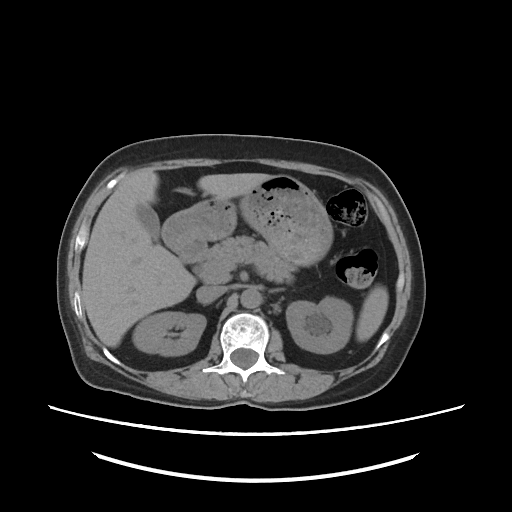

Computed tomography, abdomen; Axial slice 66/85; Aquilion ONE scanner
<organs><organ name="spleen" x1="357" y1="285" x2="388" y2="341"/><organ name="right kidney" x1="133" y1="311" x2="205" y2="355"/><organ name="left kidney" x1="286" y1="297" x2="351" y2="353"/><organ name="gall bladder" x1="134" y1="199" x2="160" y2="243"/><organ name="liver" x1="81" y1="170" x2="276" y2="346"/><organ name="stomach" x1="163" y1="174" x2="333" y2="268"/><organ name="aorta" x1="240" y1="286" x2="260" y2="309"/><organ name="inferior vena cava" x1="195" y1="285" x2="226" y2="303"/><organ name="pancreas" x1="194" y1="237" x2="294" y2="284"/><organ name="left adrenal gland" x1="268" y1="288" x2="283" y2="298"/></organs>